Computed tomography, abdomen; axial view; soft-tissue window
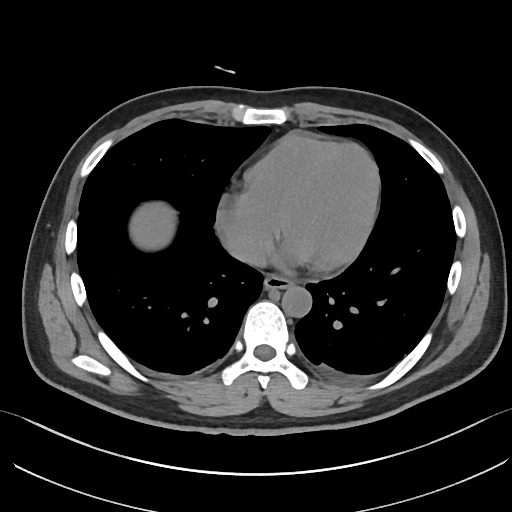

Each box given as x1,y1,x2,y2. The annotated organs in this slice are: esophagus at x1=263, y1=275, x2=291, y2=289, liver at x1=130, y1=202, x2=175, y2=250, aorta at x1=281, y1=285, x2=311, y2=317, inferior vena cava at x1=227, y1=242, x2=265, y2=265.